CT abdomen — axial view — abdomen soft-tissue window — 512x512 px — acquired on SOMATOM Force — scan has 15 labeled organs (a whole-scan count: organs this slice does not pass through have no box)
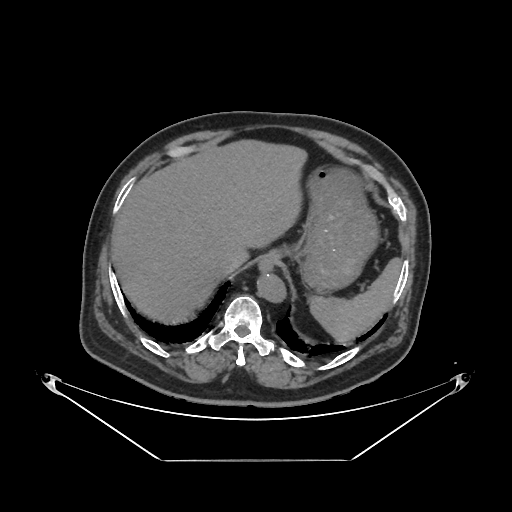
{"organs":{"spleen":[310,256,402,341],"esophagus":[259,258,271,269],"liver":[111,141,304,322],"stomach":[261,168,378,292],"aorta":[255,272,284,300],"inferior vena cava":[218,256,239,273]}}